CT abdomen; axial view; soft-tissue window; 768x768 px
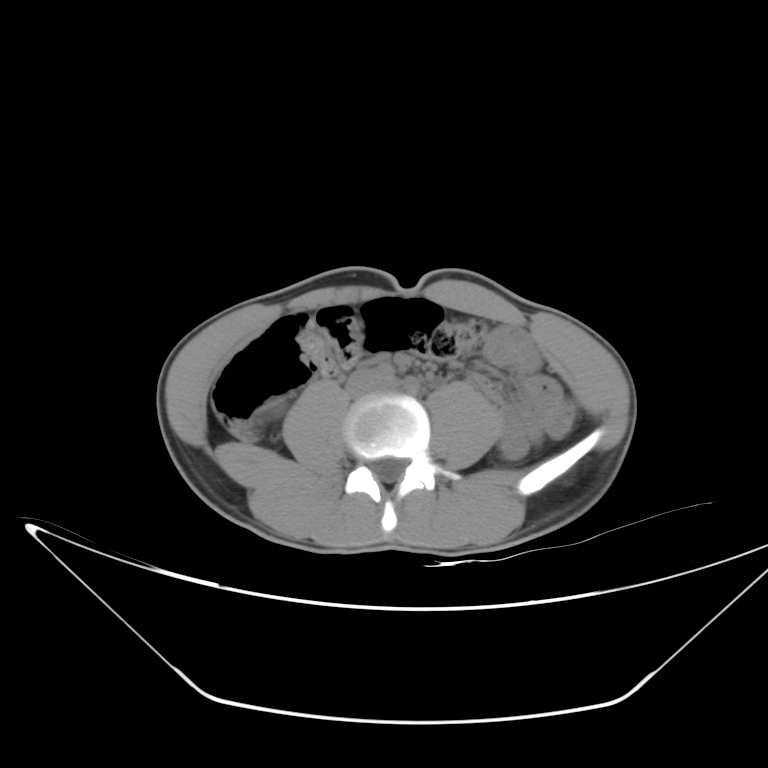
Each box given as x1,y1,x2,y2. 1 labeled organ on this slice — inferior vena cava at x1=346, y1=369, x2=383, y2=396.